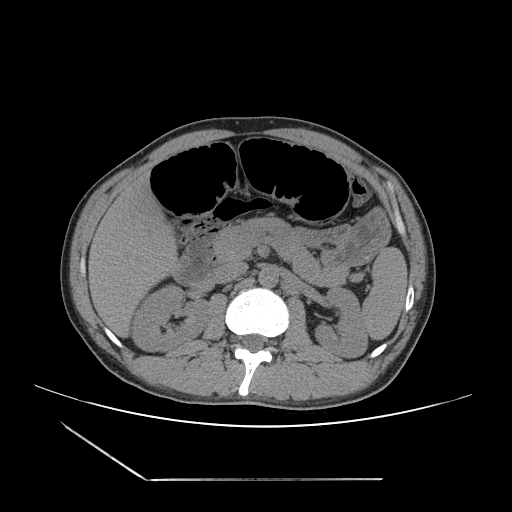

Computed tomography, abdomen. axial view. soft-tissue window. 512x512 px. scan has 15 labeled organs (counted over the whole 3D scan, not this slice; an organ is boxed only where this slice passes through it)
Each box given as x1,y1,x2,y2. Labeled organs on this slice: duodenum at x1=174, y1=237, x2=220, y2=285, liver at x1=88, y1=172, x2=178, y2=337, right kidney at x1=131, y1=285, x2=208, y2=351, pancreas at x1=211, y1=217, x2=348, y2=285, inferior vena cava at x1=213, y1=261, x2=247, y2=283, stomach at x1=297, y1=210, x2=389, y2=264, spleen at x1=362, y1=247, x2=407, y2=339, aorta at x1=258, y1=267, x2=278, y2=287, left kidney at x1=315, y1=287, x2=367, y2=357.